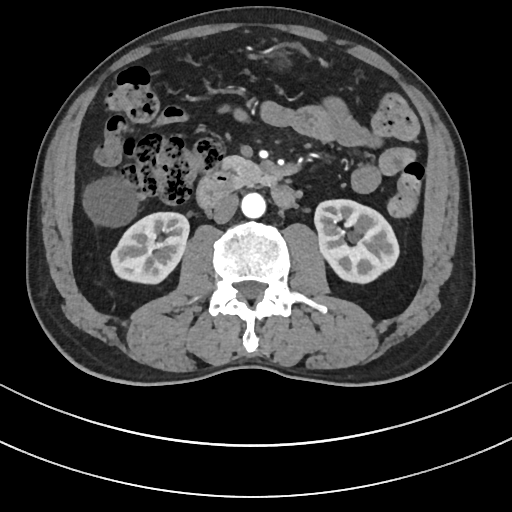

CT abdomen · axial plane, index 115
Bounding boxes as [x1, y1, x2, y2] in pixel coordinates. Labeled organs on this slice: right kidney at [109, 213, 189, 285], left kidney at [314, 200, 399, 284], liver at [83, 175, 134, 225], stomach at [261, 45, 305, 75], aorta at [241, 193, 266, 218], inferior vena cava at [212, 194, 238, 223], pancreas at [221, 155, 271, 188], duodenum at [196, 173, 295, 210].